Abdominal CT. Axial slice 172/244. 512x512 px. SOMATOM Force scanner
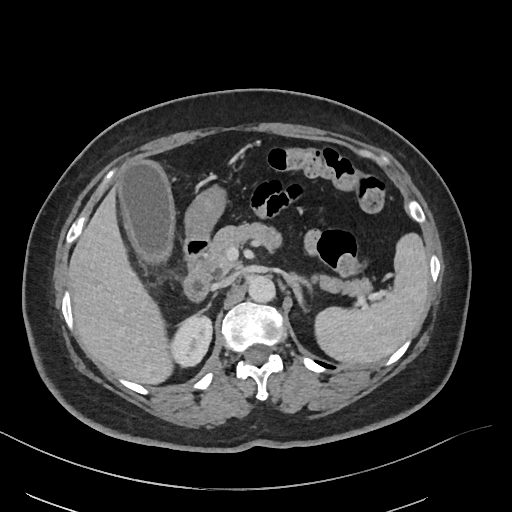

One row per box, in pixels: columns x1 and y1 give the top-left corner, x2 and y2 the bottom-right.
| organ | x1 | y1 | x2 | y2 |
|---|---|---|---|---|
| spleen | 315 | 234 | 429 | 364 |
| right kidney | 169 | 316 | 212 | 367 |
| gall bladder | 116 | 160 | 174 | 260 |
| liver | 69 | 191 | 173 | 383 |
| stomach | 129 | 162 | 225 | 235 |
| aorta | 248 | 275 | 274 | 301 |
| inferior vena cava | 212 | 275 | 233 | 289 |
| pancreas | 197 | 224 | 371 | 297 |
| left adrenal gland | 284 | 270 | 312 | 305 |
| duodenum | 182 | 235 | 210 | 301 |